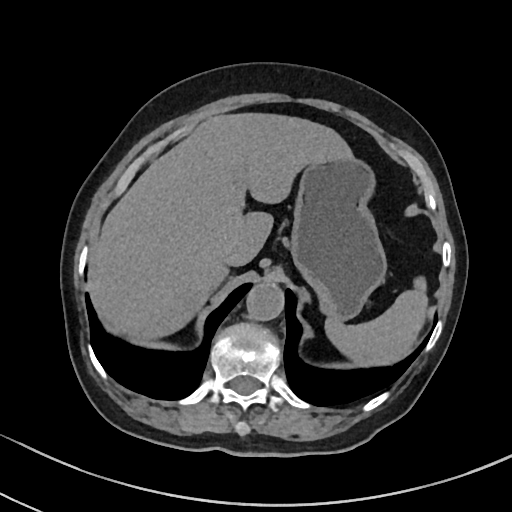
Abdominal CT. axial view. soft-tissue window. 512x512 px. SOMATOM Force scanner
Boxes are (x1, y1, x2, y2) in pixels.
spleen: (325, 276, 428, 363)
liver: (87, 112, 351, 340)
stomach: (290, 156, 386, 320)
aorta: (247, 283, 284, 319)
inferior vena cava: (221, 245, 240, 265)